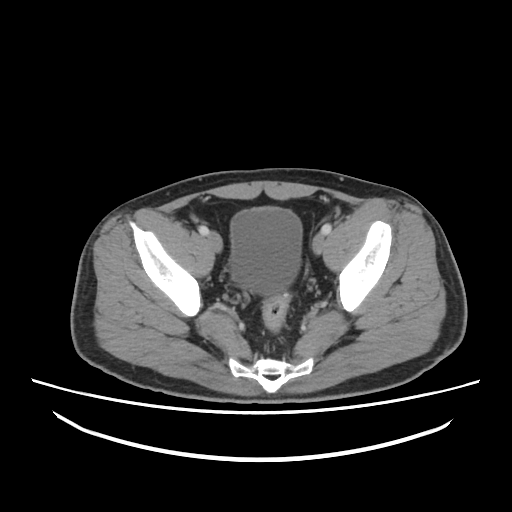

CT abdomen — axial view — abdomen soft-tissue window — 31-year-old male patient — scan has 15 labeled organs (that count is for the whole scan; organs this slice misses have no box)
{"organs":{"bladder":[229,207,302,295]}}